CT abdomen; Axial slice 28/100; abdomen soft-tissue window; acquired on Brilliance16
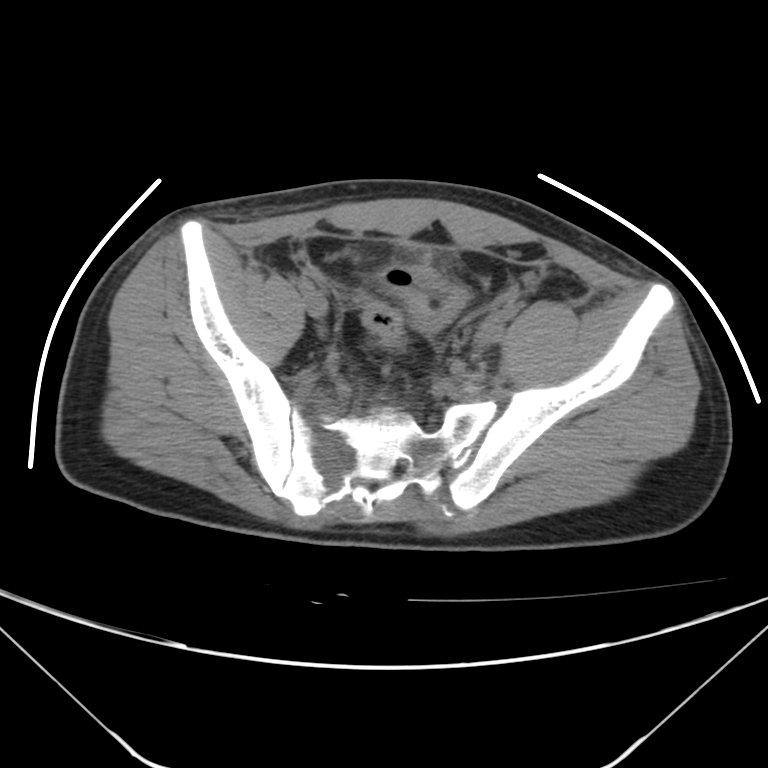
<organs><organ name="bladder" x1="376" y1="264" x2="465" y2="330"/></organs>